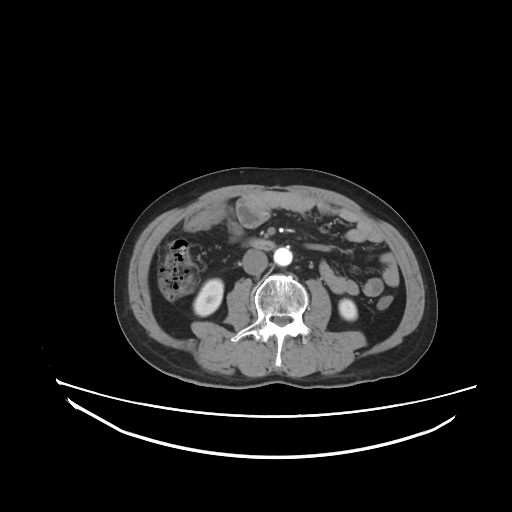 Abdominal CT; axial view; 512x512 px; 52-year-old male patient
Boxes: x1 y1 x2 y2 (pixel coords, space-separated). Labeled organs on this slice: right kidney at 193 278 223 316, left kidney at 339 299 357 320, aorta at 273 247 292 265, inferior vena cava at 242 249 267 274, duodenum at 249 238 275 250.